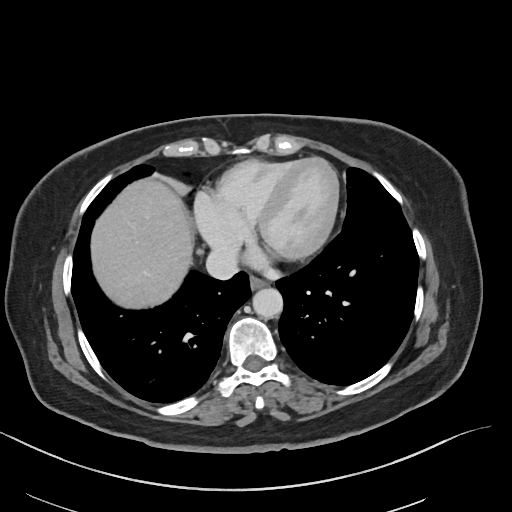 Computed tomography, abdomen; axial view; 512x512 px; SOMATOM Force scanner
Box edges are left/top/right/bottom in pixels.
Organ bounding boxes:
- esophagus: left=249, top=278, right=266, bottom=290
- liver: left=92, top=180, right=192, bottom=308
- aorta: left=252, top=288, right=283, bottom=318
- inferior vena cava: left=205, top=250, right=234, bottom=279